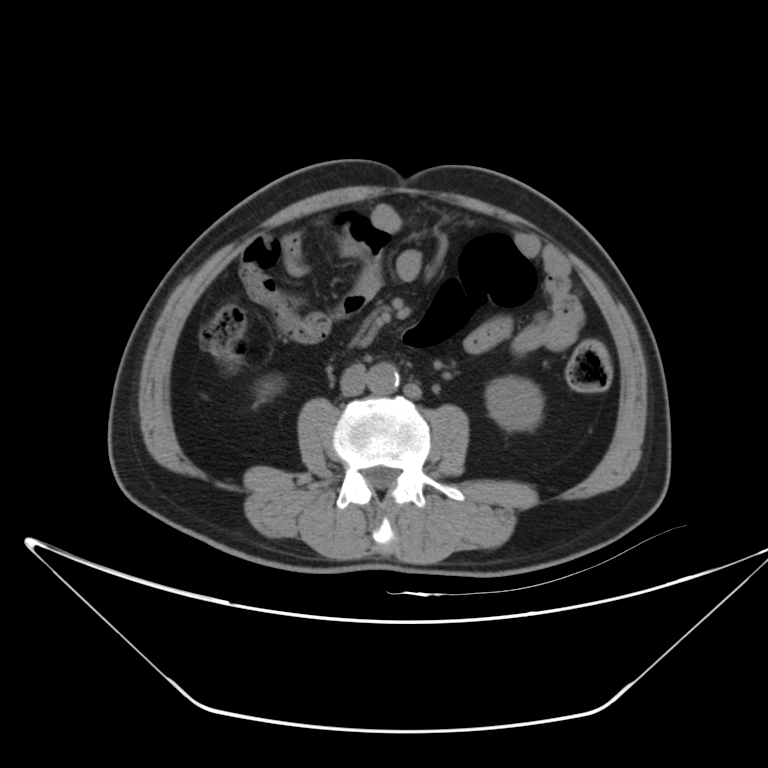 CT, abdomen/pelvis · Axial slice 50/93 · 768x768 px · 56-year-old male patient
{"organs":{"right kidney":[254,374,284,400],"left kidney":[486,377,542,430],"aorta":[367,363,399,394],"inferior vena cava":[341,364,366,396]}}